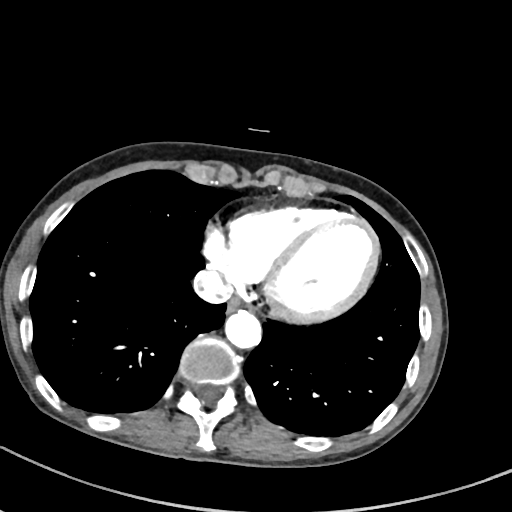

Lower-chest slice from an abdominal CT, just above the liver and spleen. axial view. 512x512 px
Of the structures in the chest, this dataset labels only the esophagus, the aorta and the inferior vena cava; the heart and lungs have no label.
{"organs":{"esophagus":[228,298,253,311],"aorta":[224,310,261,348],"inferior vena cava":[193,271,233,303]}}